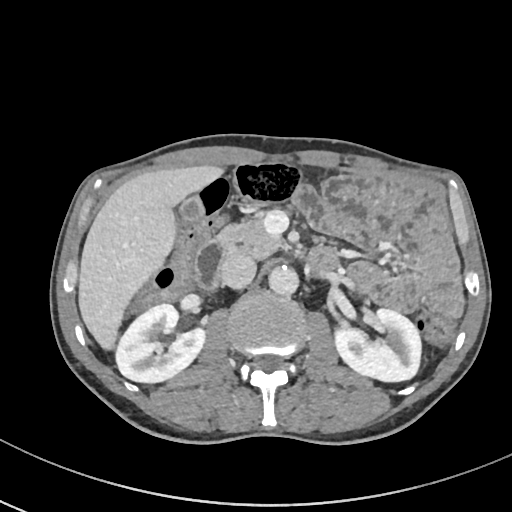

CT abdomen; axial plane, index 143; abdomen soft-tissue window
{"organs":{"pancreas":[215,218,281,258],"liver":[77,164,225,352],"left kidney":[332,307,420,382],"aorta":[268,266,299,296],"duodenum":[193,239,338,291],"right kidney":[116,305,206,383],"gall bladder":[177,195,203,224],"inferior vena cava":[219,252,256,289]}}